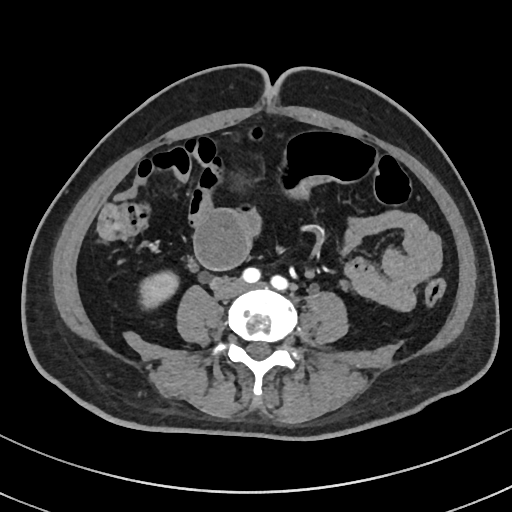 CT, abdomen/pelvis · axial plane, index 89
Boxes are (x1, y1, x2, y2) in pixels.
right kidney: (140, 271, 178, 309)
bladder: (225, 171, 251, 192)